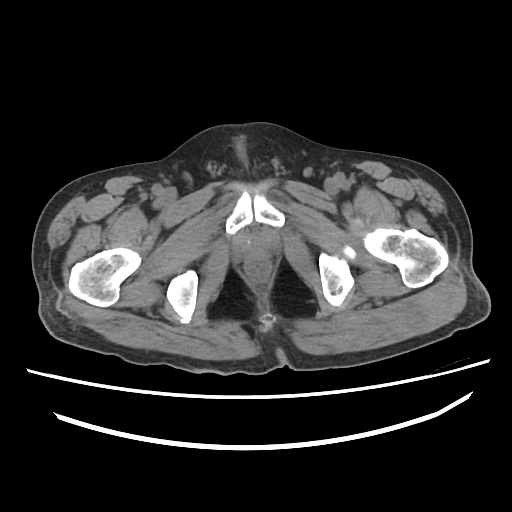
Computed tomography, abdomen. axial view
{"organs":{"prostate/uterus":[241,237,268,258]}}